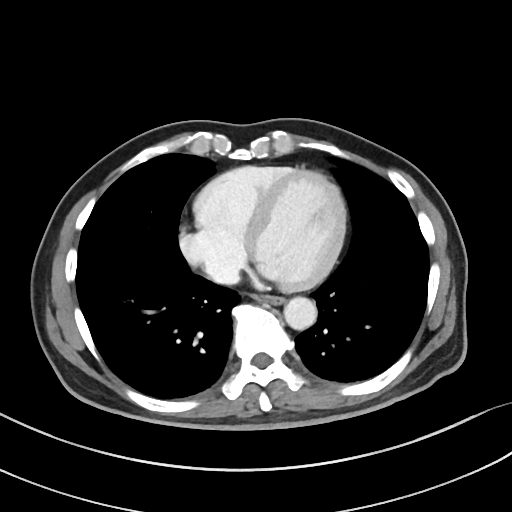

CT of the abdomen reaching into the lower chest, slice just above the liver and spleen; axial view; soft-tissue window (W 400 / L 40); SOMATOM Force scanner; 15 organs annotated in this scan (counted over the whole 3D scan, not this slice; an organ is boxed only where this slice passes through it)
No part of the heart or lungs is labeled in this dataset, so neither has a box here.
<organs><organ name="esophagus" x1="262" y1="295" x2="284" y2="304"/><organ name="aorta" x1="284" y1="297" x2="317" y2="329"/><organ name="inferior vena cava" x1="205" y1="261" x2="239" y2="284"/></organs>